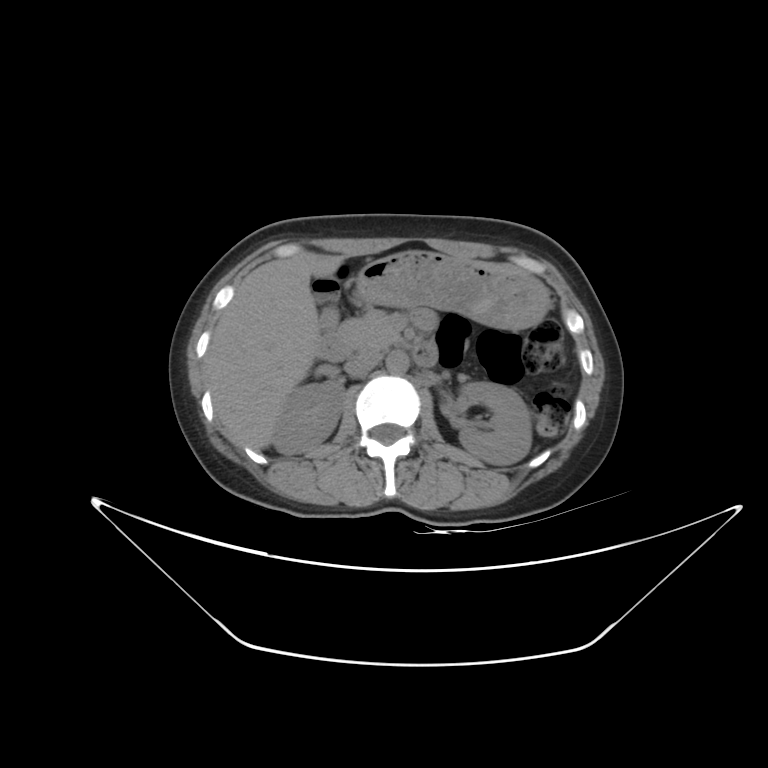
CT abdomen — axial view — 38-year-old female patient — acquired on Brilliance16 — scan has 15 labeled organs (that count is for the whole scan; organs this slice misses have no box)
Bounding boxes as [x1, y1, x2, y2] in pixel coordinates.
Organ bounding boxes:
- inferior vena cava: [343, 352, 381, 376]
- pancreas: [339, 310, 399, 353]
- gall bladder: [320, 308, 336, 327]
- duodenum: [316, 330, 439, 367]
- stomach: [357, 252, 548, 330]
- right kidney: [274, 380, 345, 453]
- aorta: [386, 350, 409, 374]
- left kidney: [458, 382, 531, 464]
- liver: [204, 257, 342, 450]